CT, abdomen/pelvis · axial plane, index 8 · soft-tissue window · Aquilion ONE scanner · 14 organs annotated in this scan (a whole-scan count: organs this slice does not pass through have no box)
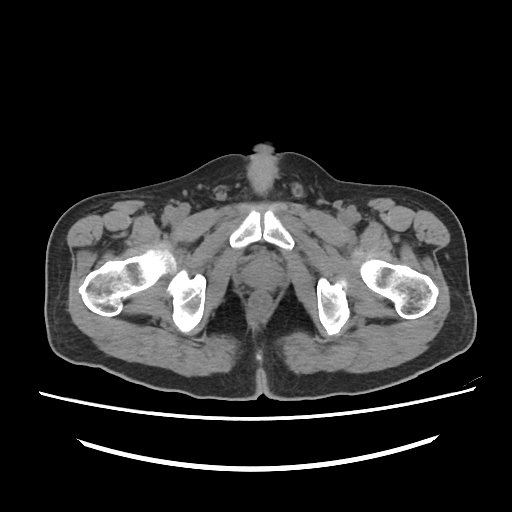

<organs><organ name="prostate/uterus" x1="243" y1="257" x2="281" y2="289"/></organs>